CT abdomen; axial plane, index 46; 15 organs annotated in this scan (that count is for the whole scan; organs this slice misses have no box)
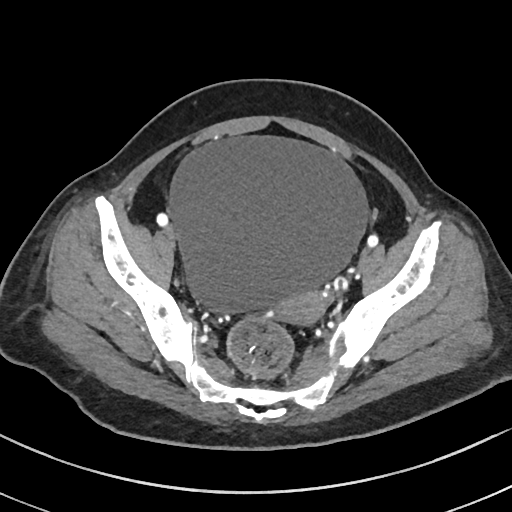

One row per box, in pixels: columns x1 and y1 give the top-left corner, x2 and y2 the bottom-right.
| organ | x1 | y1 | x2 | y2 |
|---|---|---|---|---|
| bladder | 169 | 134 | 369 | 315 |
| prostate/uterus | 275 | 289 | 330 | 325 |